Chest-level slice from an abdominal CT that extends up into the chest · axial view · SOMATOM Force scanner · 15 organs annotated in this scan (counted over the whole 3D scan, not this slice; an organ is boxed only where this slice passes through it)
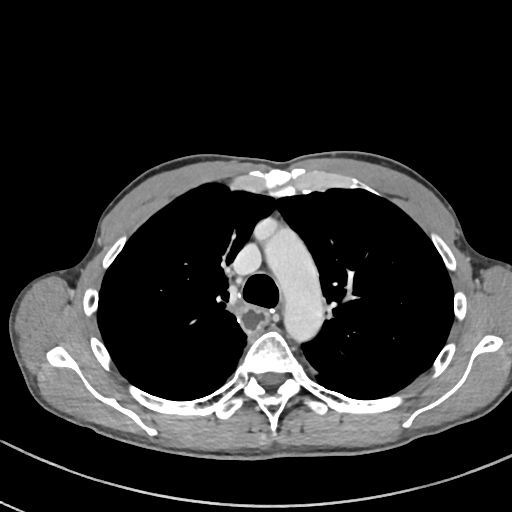 On a slice this high in the chest, this dataset labels only the esophagus and the aorta, and each is boxed only where it is labeled; the heart, lungs and other chest structures are not labeled.
Bounding boxes in pixels, one row per box: x1, y1 is the top-left corner and x2, y2 the bottom-right.
| organ | x1 | y1 | x2 | y2 |
|---|---|---|---|---|
| esophagus | 237 | 305 | 268 | 333 |
| aorta | 264 | 226 | 323 | 341 |